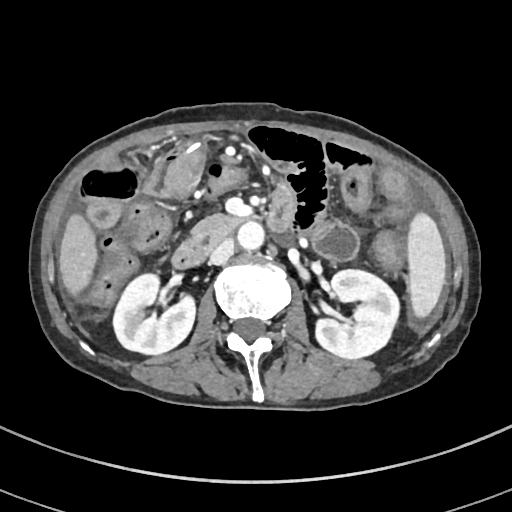
CT abdomen — axial plane, index 118 — abdomen soft-tissue window
Boxes are (x1, y1, x2, y2) in pixels. Labeled organs on this slice: aorta at (236, 221, 264, 252), inferior vena cava at (208, 238, 235, 265), liver at (60, 213, 97, 296), right kidney at (114, 274, 196, 354), left kidney at (314, 270, 400, 359), duodenum at (170, 183, 295, 268), spleen at (405, 211, 447, 318), pancreas at (192, 213, 247, 244).